CT abdomen — axial view
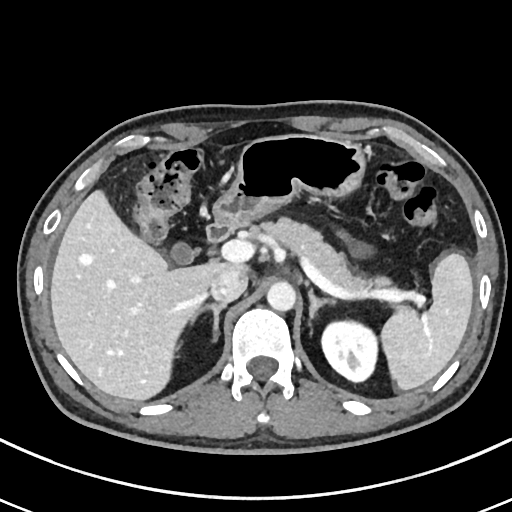 Boxes: x1:y1:x2:y2 in pixels. Labeled organs on this slice: pancreas at 253:217:393:292, duodenum at 206:217:240:245, liver at 50:189:248:400, aorta at 266:280:295:310, gall bladder at 170:244:194:263, right adrenal gland at 190:302:225:335, left adrenal gland at 308:288:337:320, spleen at 380:254:473:389, inferior vena cava at 209:267:247:303, left kidney at 321:320:378:382, stomach at 215:134:364:225.